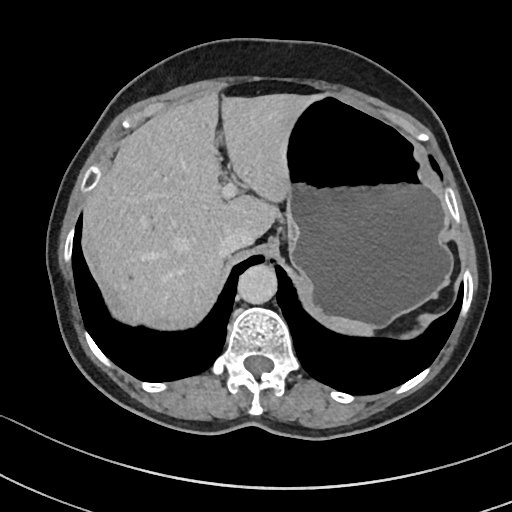
Computed tomography, abdomen · axial plane, index 157 · abdomen soft-tissue window · 15 organs annotated in this scan (that count is for the whole scan; organs this slice misses have no box)
<organs><organ name="inferior vena cava" x1="218" y1="231" x2="253" y2="255"/><organ name="stomach" x1="286" y1="97" x2="451" y2="327"/><organ name="liver" x1="83" y1="93" x2="325" y2="325"/><organ name="spleen" x1="327" y1="318" x2="371" y2="335"/><organ name="aorta" x1="236" y1="265" x2="276" y2="304"/></organs>